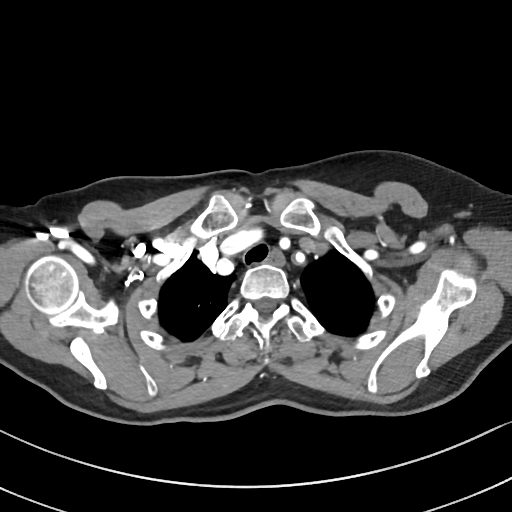
Chest-level CT slice, above the liver and spleen — axial view
On a slice this high in the chest, this dataset labels only the esophagus and the aorta, and each is boxed only where it is labeled; the heart, lungs and other chest structures are not labeled.
{"organs":{"esophagus":[264,250,283,264]}}